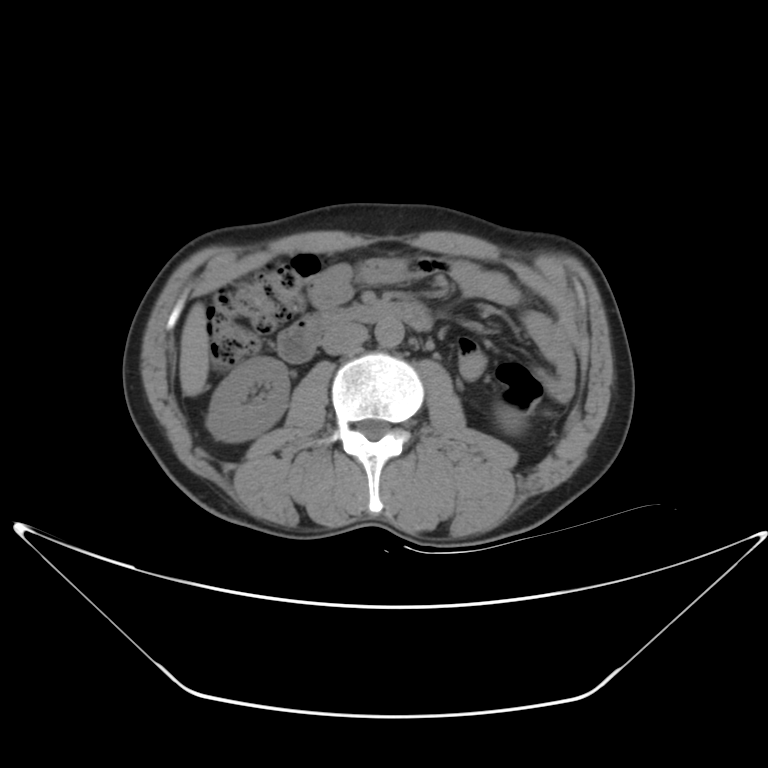

CT abdomen — axial view — scan has 15 labeled organs (a whole-scan count: organs this slice does not pass through have no box)
{"organs":{"right kidney":[210,356,288,443],"left kidney":[497,403,522,431],"liver":[178,303,210,397],"aorta":[376,319,405,348],"inferior vena cava":[323,324,365,357],"duodenum":[276,302,429,365]}}